Abdominal CT — axial view
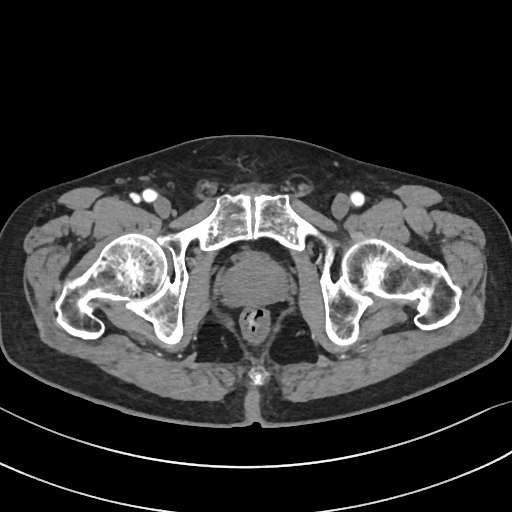 <organs><organ name="prostate/uterus" x1="222" y1="256" x2="286" y2="305"/></organs>